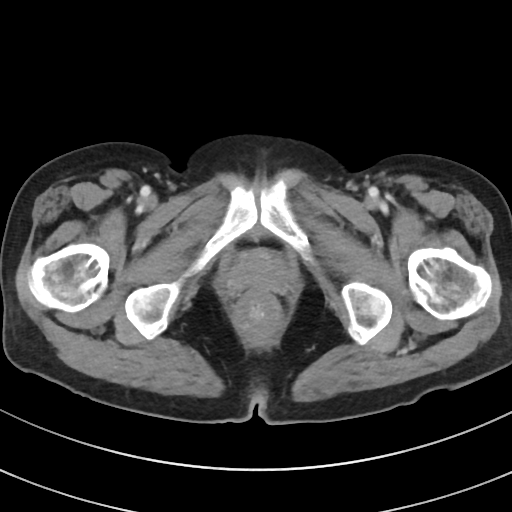
CT abdomen; axial view
{"organs":{"prostate/uterus":[228,248,288,291]}}